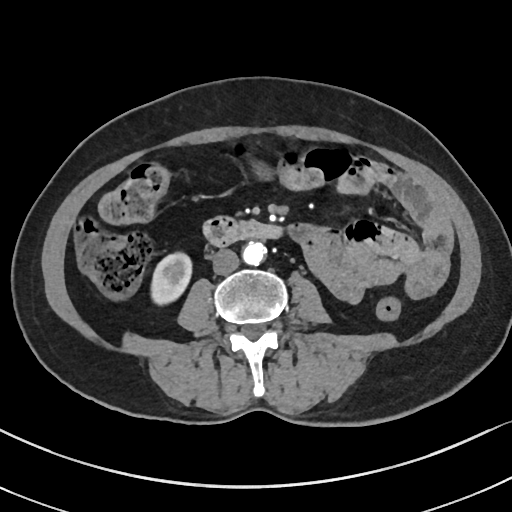
CT abdomen · Axial slice 112/294 · SOMATOM Force scanner
{"organs":{"right kidney":[151,254,190,305],"aorta":[242,242,265,265],"inferior vena cava":[212,249,239,274],"duodenum":[204,216,281,246]}}